Abdominal CT — axial view — soft-tissue window — 768x768 px — male patient aged 90 or older — 15 organs annotated in this scan (counted over the whole 3D scan, not this slice; an organ is boxed only where this slice passes through it)
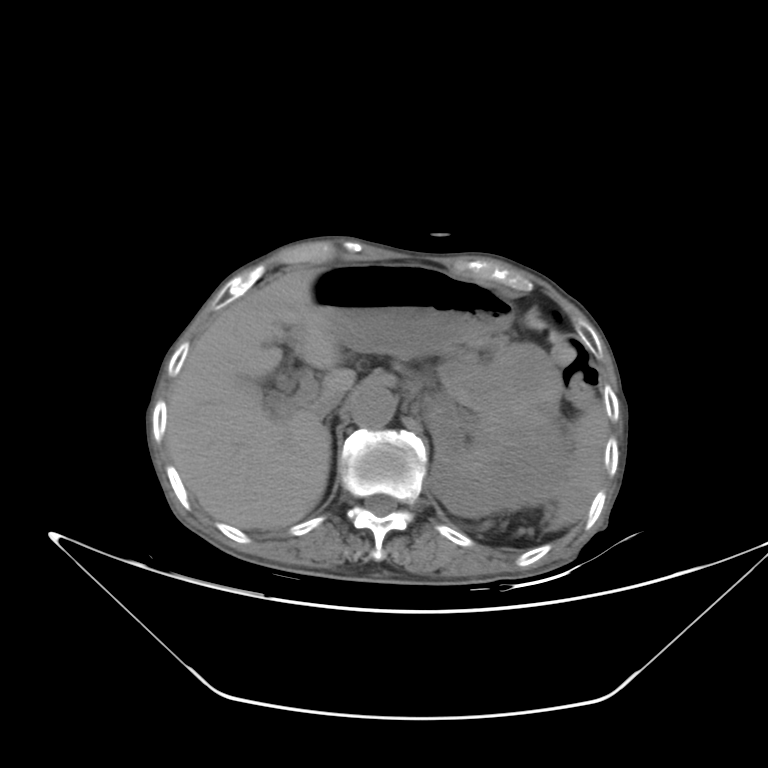

Boxes: x1:y1:x2:y2 in pixels.
left kidney: 424:342:567:517
inferior vena cava: 310:392:344:414
spleen: 549:400:608:531
stomach: 310:263:517:354
aorta: 353:387:393:427
pancreas: 465:336:509:349
right adrenal gland: 326:423:328:425
liver: 170:267:357:529